CT, abdomen/pelvis; axial view; acquired on Aquilion ONE
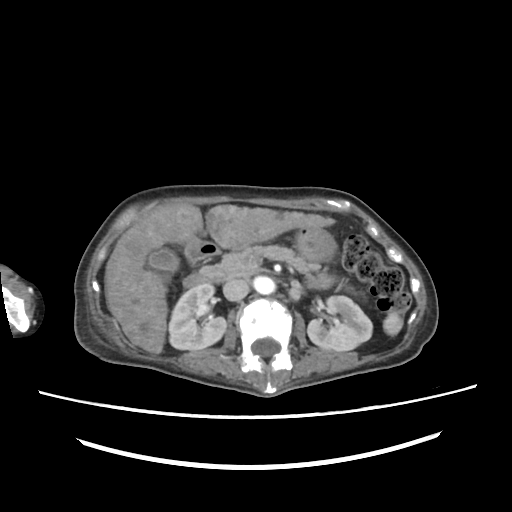
Coordinates as <box>x1,y1,x2,y2</box> in pixels. Labeled organs on this slice: spleen at <box>384,314,401,334</box>, right kidney at <box>168,283,226,349</box>, left kidney at <box>307,295,372,351</box>, gall bladder at <box>147,248,178,271</box>, liver at <box>105,204,334,353</box>, stomach at <box>296,227,336,260</box>, aorta at <box>254,276,275,294</box>, inferior vena cava at <box>223,279,249,301</box>, pancreas at <box>199,245,318,281</box>, duodenum at <box>183,238,219,288</box>.